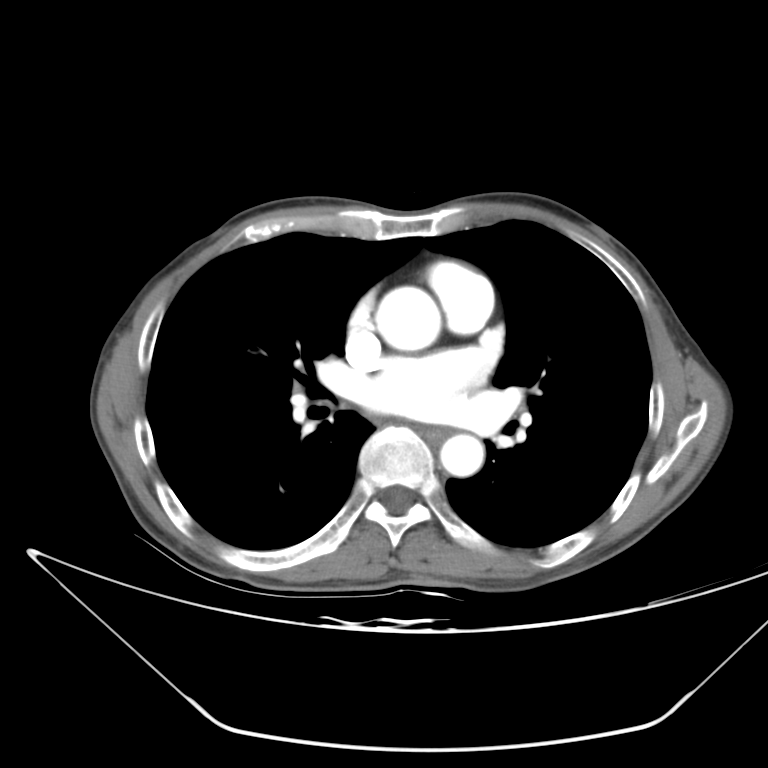 Chest-level CT slice, above the liver and spleen · Axial slice 73/103 · soft-tissue window · 13 organs annotated in this scan (that count is for the whole scan; organs this slice misses have no box)
At this level of the chest no structure but the esophagus and the aorta has a label in this dataset, and those two are boxed only where they are labeled.
{"organs":{"esophagus":[418,425,448,441],"aorta":[[375,286,440,350],[440,434,484,476]]}}